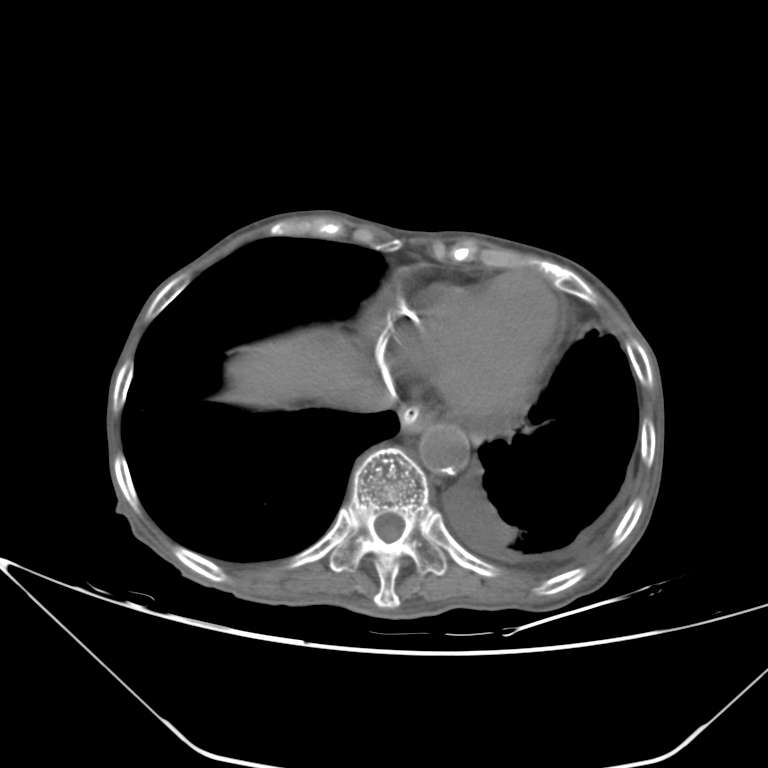 CT, abdomen/pelvis — Axial slice 81/88 — 80-year-old female patient — scan has 14 labeled organs (that count is for the whole scan; organs this slice misses have no box)
{"organs":{"esophagus":[399,403,434,433],"liver":[224,329,362,407],"aorta":[419,422,469,474],"inferior vena cava":[332,376,396,411]}}